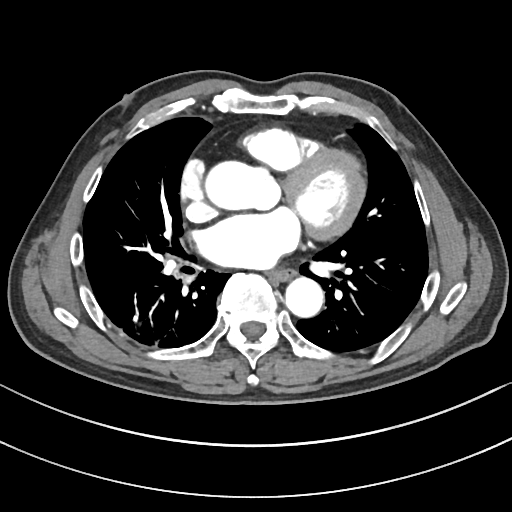 CT of the abdomen reaching into the lower chest, slice just above the liver and spleen — axial view — 15 organs annotated in this scan (a whole-scan count: organs this slice does not pass through have no box)
No part of the heart or lungs is labeled in this dataset, so neither has a box here.
Box edges are left/top/right/bottom in pixels.
Organ bounding boxes:
- esophagus: left=269, top=270, right=293, bottom=281
- aorta: left=203, top=161, right=278, bottom=211
- aorta: left=285, top=277, right=323, bottom=317